Abdominal CT; axial view; W/L 400/40 HU; 51-year-old male patient; Brilliance16 scanner; 15 organs annotated in this scan (a whole-scan count: organs this slice does not pass through have no box)
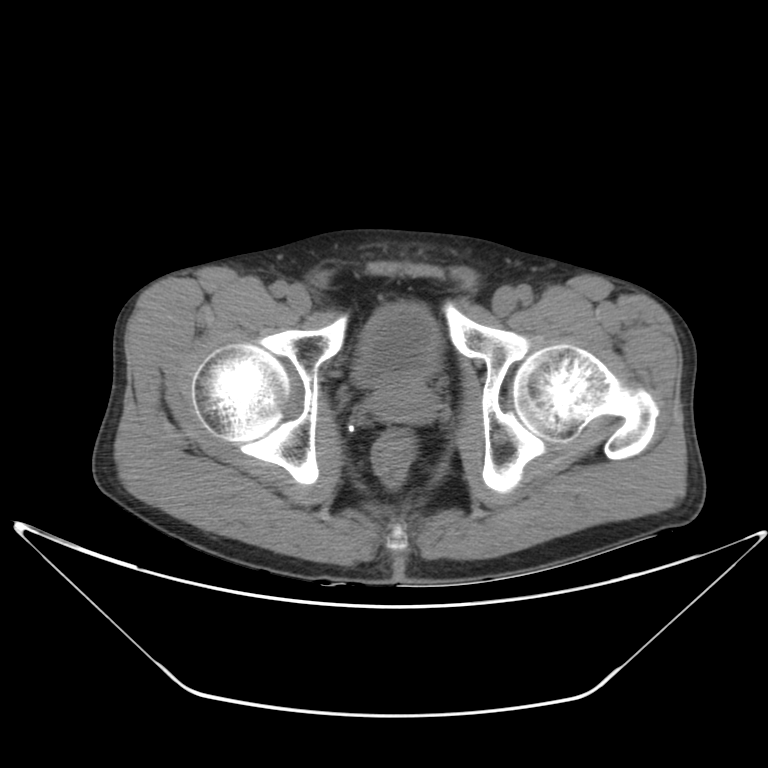 One row per box, in pixels: columns x1 and y1 give the top-left corner, x2 and y2 the bottom-right.
| organ | x1 | y1 | x2 | y2 |
|---|---|---|---|---|
| bladder | 352 | 303 | 440 | 388 |
| prostate/uterus | 370 | 382 | 437 | 418 |